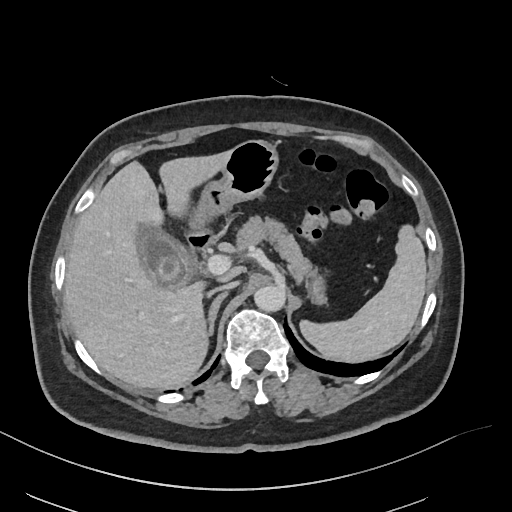
Abdominal CT · axial view · 512x512 px · scan has 15 labeled organs (counted over the whole 3D scan, not this slice; an organ is boxed only where this slice passes through it)
Each box given as x1,y1,x2,y2. 8 labeled organs on this slice — stomach at x1=189, y1=140, x2=325, y2=304; liver at x1=65, y1=149, x2=232, y2=389; pancreas at x1=237, y1=218, x2=316, y2=277; aorta at x1=254, y1=284, x2=286, y2=312; right adrenal gland at x1=208, y1=293, x2=226, y2=335; inferior vena cava at x1=209, y1=282, x2=236, y2=294; spleen at x1=301, y1=226, x2=426, y2=361; gall bladder at x1=137, y1=224, x2=193, y2=285.